CT, abdomen/pelvis. axial view. soft-tissue window (W 400 / L 40)
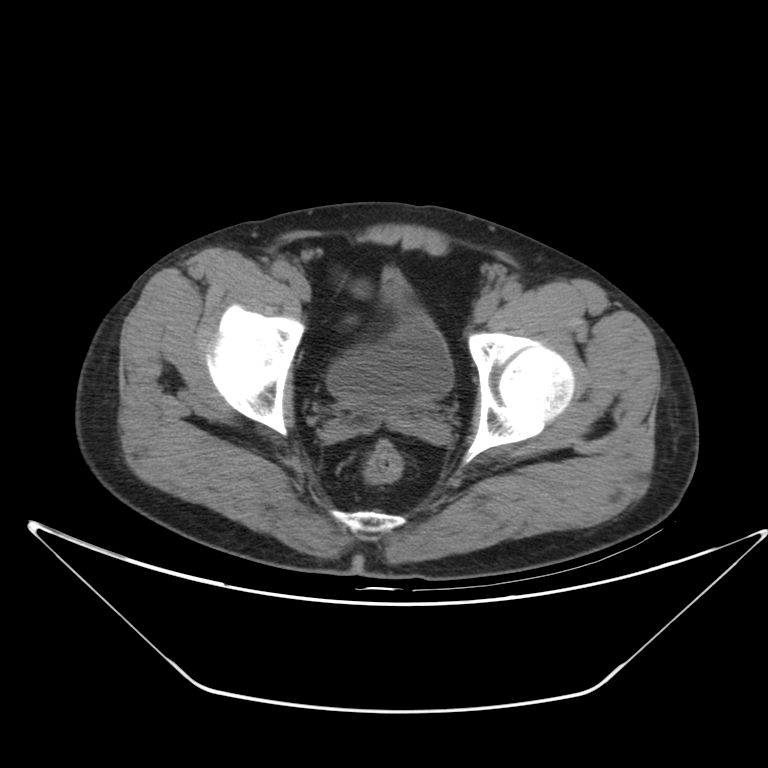 <organs><organ name="bladder" x1="327" y1="275" x2="453" y2="407"/></organs>